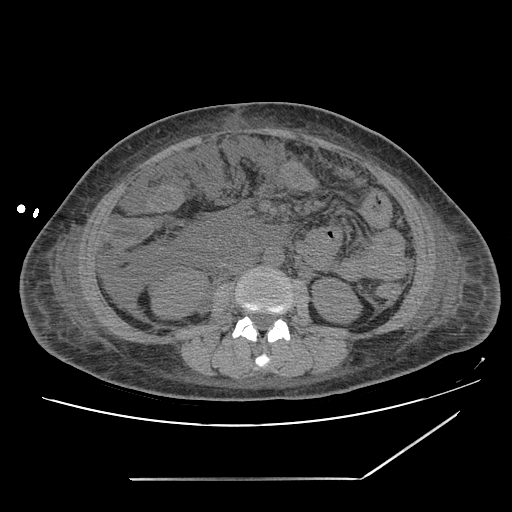

CT abdomen · Axial slice 96/191 · soft-tissue window (W 400 / L 40) · acquired on SOMATOM Force
Box edges are left/top/right/bottom in pixels. Labeled organs on this slice: right kidney at left=150, top=269, right=207, bottom=320, left kidney at left=311, top=277, right=363, bottom=325, aorta at left=263, top=249, right=283, bottom=266, inferior vena cava at left=229, top=255, right=255, bottom=273.